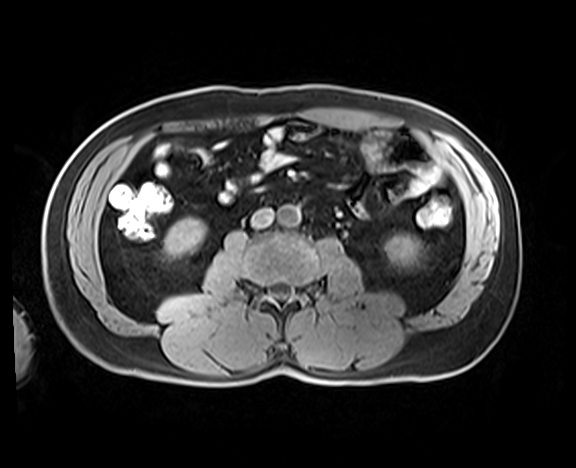
MRI, abdomen — axial plane, index 3 — Prisma scanner
<organs><organ name="right kidney" x1="164" y1="217" x2="205" y2="257"/><organ name="left kidney" x1="384" y1="234" x2="421" y2="269"/><organ name="aorta" x1="277" y1="205" x2="300" y2="227"/><organ name="inferior vena cava" x1="251" y1="206" x2="275" y2="228"/></organs>